CT, abdomen/pelvis. axial view. soft-tissue window. acquired on SOMATOM Force
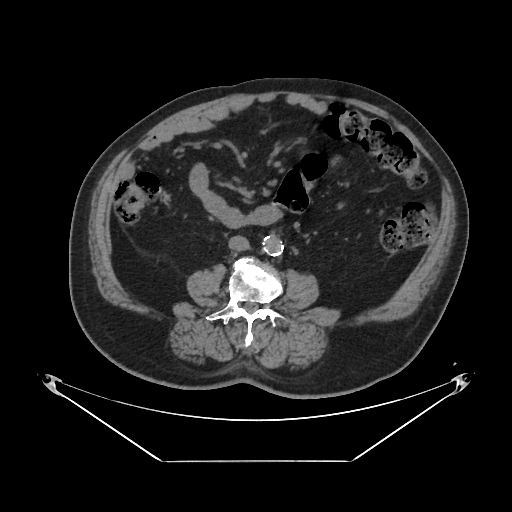

One row per box, in pixels: columns x1 and y1 give the top-left corner, x2 and y2 the bottom-right.
| organ | x1 | y1 | x2 | y2 |
|---|---|---|---|---|
| aorta | 262 | 236 | 283 | 256 |
| inferior vena cava | 228 | 236 | 249 | 251 |